CT, abdomen/pelvis. Axial slice 189/236. 512x512 px. 15 organs annotated in this scan (a whole-scan count: organs this slice does not pass through have no box)
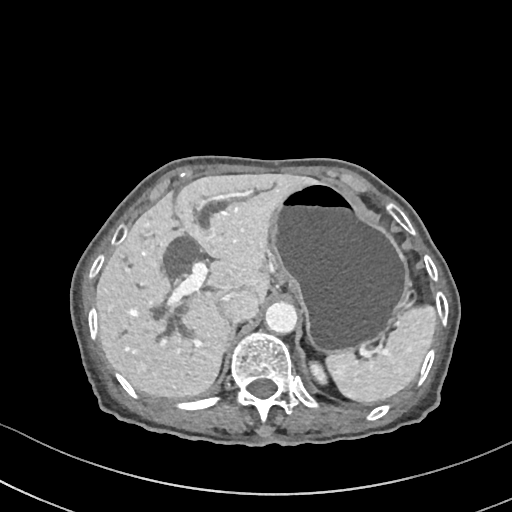
Boxes: x1 y1 x2 y2 (pixel coords, space-separated). The annotated organs in this slice are: liver at 96 173 320 399, spleen at 325 303 436 402, aorta at 265 302 297 334, stomach at 268 182 411 356, left kidney at 310 361 327 383, inferior vena cava at 221 291 258 322.